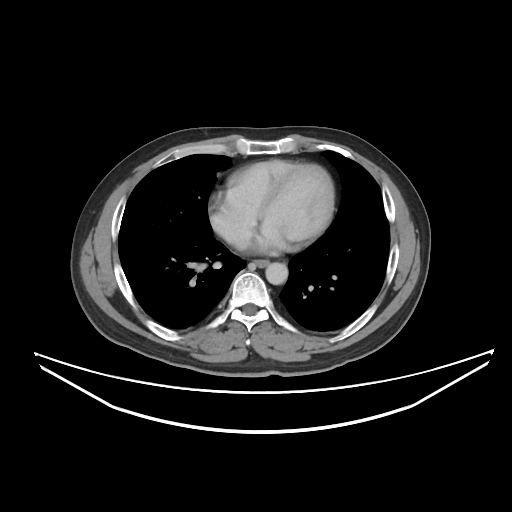 CT of the abdomen reaching into the lower chest, slice just above the liver and spleen; axial view; soft-tissue window, W/L 400/40; 40-year-old male patient; acquired on Aquilion ONE; scan has 15 labeled organs (counted over the whole 3D scan, not this slice; an organ is boxed only where this slice passes through it)
The heart and lungs are never labeled in this dataset, so they have no box on this slice.
Bounding boxes in pixels, one row per box: x1, y1 is the top-left corner and x2, y2 the bottom-right.
| organ | x1 | y1 | x2 | y2 |
|---|---|---|---|---|
| aorta | 265 | 262 | 288 | 284 |
| esophagus | 251 | 259 | 269 | 267 |